Magnetic resonance imaging, abdomen; coronal view; 13 organs annotated in this scan (that count is for the whole scan; organs this slice misses have no box)
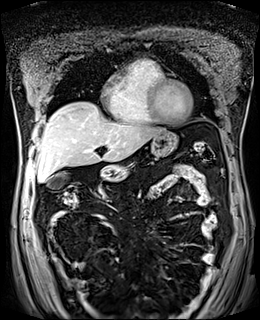
Coordinates as <box>x1,y1,x2,y2</box> in pixels.
gall bladder: <box>47,172,67,188</box>
liver: <box>35,102,164,182</box>
stomach: <box>99,130,177,182</box>